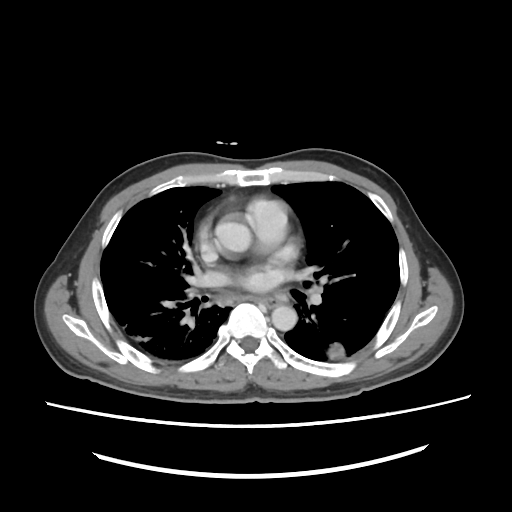

CT of the abdomen reaching into the lower chest, slice just above the liver and spleen — axial view — 15 organs annotated in this scan (counted over the whole 3D scan, not this slice; an organ is boxed only where this slice passes through it)
Of the structures in the chest, this dataset labels only the esophagus, the aorta and the inferior vena cava; the heart and lungs have no label.
Bounding boxes as [x1, y1, x2, y2] in pixel coordinates.
aorta: [212, 214, 252, 253]
aorta: [270, 307, 296, 331]